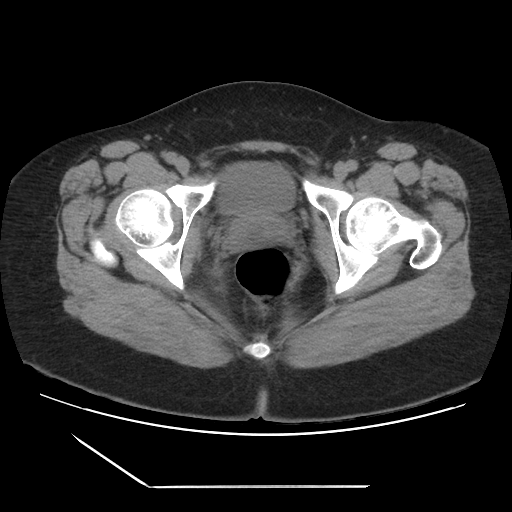

CT abdomen — axial view — W/L 400/40 HU
<organs><organ name="bladder" x1="218" y1="162" x2="295" y2="214"/><organ name="prostate/uterus" x1="228" y1="212" x2="288" y2="246"/></organs>